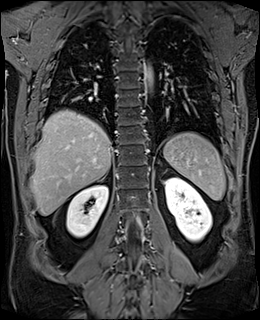
Magnetic resonance imaging, abdomen; Coronal slice 36/144; acquired on Prisma
Bounding boxes in pixels, one row per box: x1, y1 is the top-left corner and x2, y2 the bottom-right.
| organ | x1 | y1 | x2 | y2 |
|---|---|---|---|---|
| spleen | 164 | 132 | 225 | 200 |
| right kidney | 66 | 185 | 108 | 237 |
| left kidney | 165 | 177 | 212 | 241 |
| aorta | 145 | 66 | 152 | 83 |
| right adrenal gland | 100 | 178 | 103 | 181 |
| liver | 31 | 110 | 111 | 215 |